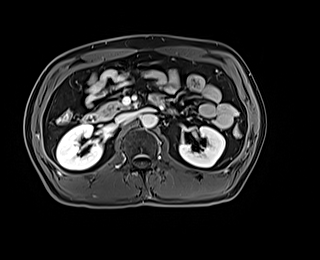
MRI, abdomen; axial view; 320x260 px
Box edges are left/top/right/bottom in pixels.
Organ bounding boxes:
- right kidney: left=56, top=124, right=102, bottom=169
- left kidney: left=179, top=126, right=225, bottom=167
- aorta: left=141, top=114, right=157, bottom=128
- inferior vena cava: left=115, top=113, right=134, bottom=123
- pancreas: left=97, top=102, right=127, bottom=116
- duodenum: left=82, top=99, right=161, bottom=123